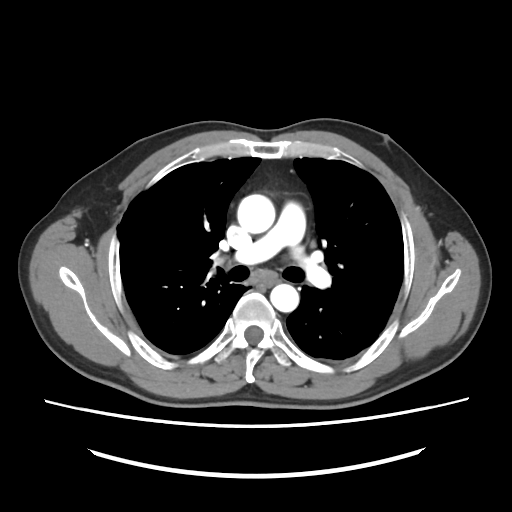

CT of the abdomen extending into the chest, slice through the chest. axial view. acquired on Aquilion ONE
On a slice this high in the chest, this dataset labels only the esophagus and the aorta, and each is boxed only where it is labeled; the heart, lungs and other chest structures are not labeled.
Boxes: x1:y1:x2:y2 in pixels.
Organ bounding boxes:
- esophagus: 256:278:279:287
- aorta: 237:194:275:233
- aorta: 270:284:298:312